CT abdomen · axial plane, index 19 · soft-tissue window (W 400 / L 40) · 15 organs annotated in this scan (that count is for the whole scan; organs this slice misses have no box)
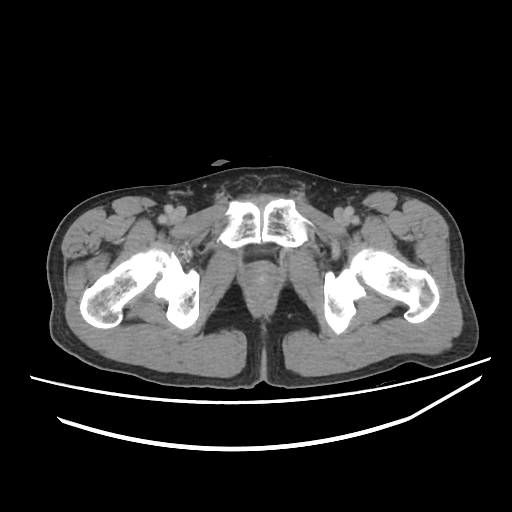 Boxes: x1 y1 x2 y2 (pixel coords, space-separated). The annotated organs in this slice are: prostate/uterus at 246 264 278 292.